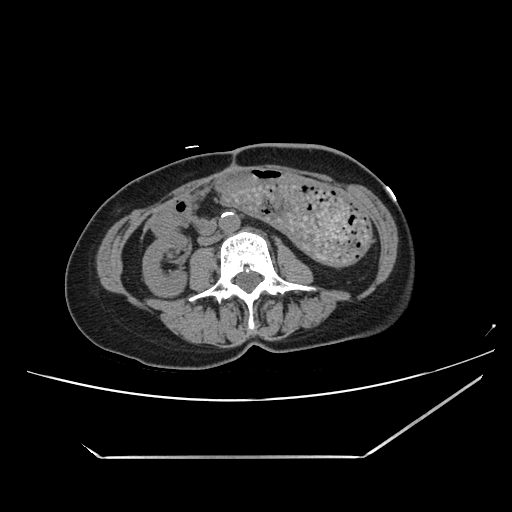

Abdominal CT — axial view
Each box given as x1,y1,x2,y2. 5 labeled organs on this slice — right kidney at x1=143, y1=232, x2=188, y2=298; stomach at x1=221, y1=179, x2=369, y2=264; aorta at x1=219, y1=212, x2=240, y2=233; inferior vena cava at x1=198, y1=232, x2=220, y2=245; duodenum at x1=197, y1=220, x2=216, y2=234.